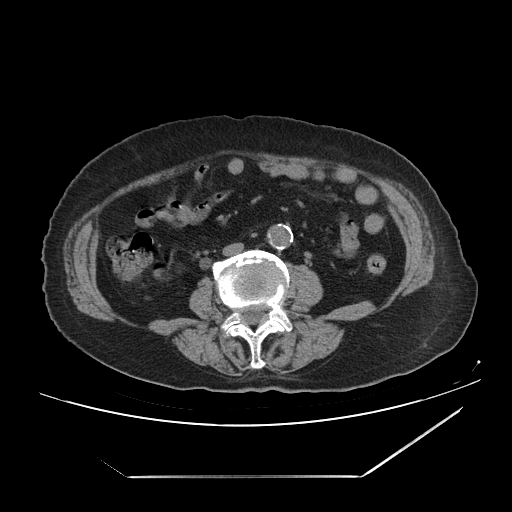
CT, abdomen/pelvis. axial plane, index 86. acquired on SOMATOM Force. scan has 15 labeled organs (counted over the whole 3D scan, not this slice; an organ is boxed only where this slice passes through it)
Boxes are (x1, y1, x2, y2) in pixels.
aorta: (267, 224, 292, 249)
inferior vena cava: (222, 243, 243, 255)